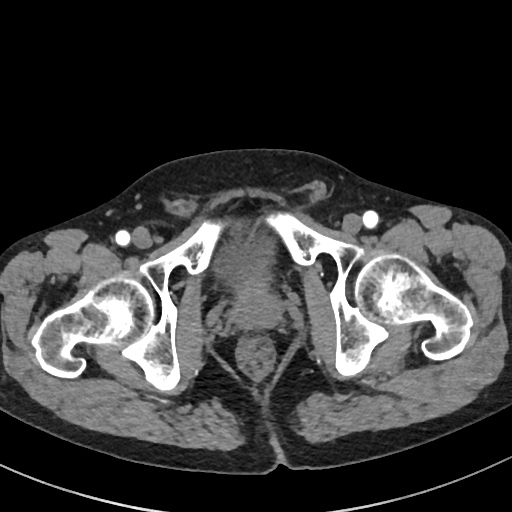
CT, abdomen/pelvis · axial view · 512x512 px
<organs><organ name="bladder" x1="218" y1="240" x2="276" y2="292"/><organ name="prostate/uterus" x1="231" y1="291" x2="281" y2="328"/></organs>